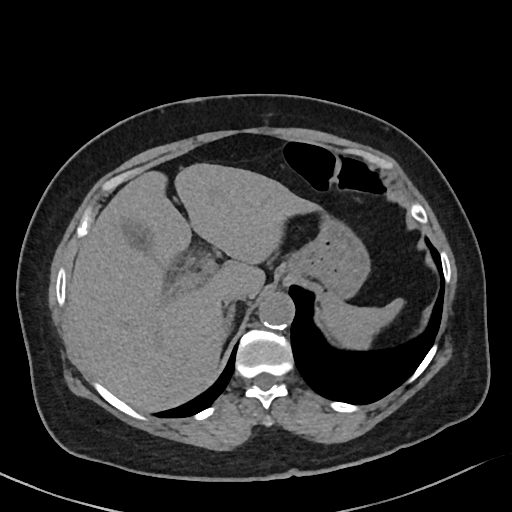
Abdominal CT. axial view. W/L 400/40 HU. 512x512 px. 15 organs annotated in this scan (a whole-scan count: organs this slice does not pass through have no box)
Coordinates as <box>x1,y1,x2,y2</box> in pixels.
Organ bounding boxes:
- inferior vena cava: <box>223,284,252,302</box>
- aorta: <box>259,292,294,328</box>
- liver: <box>67,163,316,412</box>
- spleen: <box>321,293,404,349</box>
- right adrenal gland: <box>223,304,235,339</box>
- stomach: <box>285,214,370,298</box>
- gall bladder: <box>122,218,148,248</box>